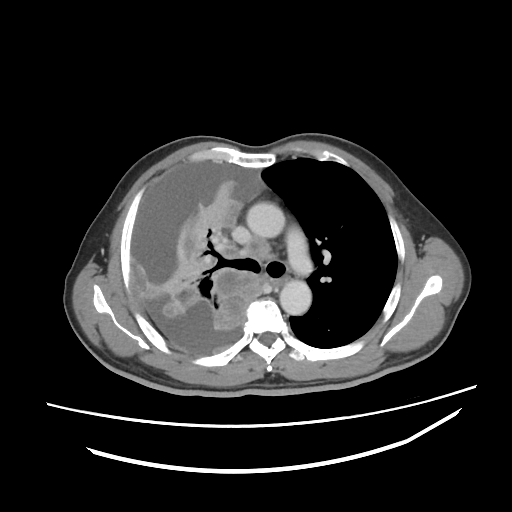
Chest-level CT slice, above the liver and spleen. axial view. W/L 400/40 HU. 512x512 px
At this level of the chest this dataset labels only the esophagus and the aorta, and each is boxed only where it is labeled; the heart and lungs are never labeled. Each box given as x1,y1,x2,y2. Labeled organs on this slice: aorta at x1=246, y1=202, x2=284, y2=238, aorta at x1=279, y1=280, x2=311, y2=315, esophagus at x1=271, y1=278, x2=289, y2=287.